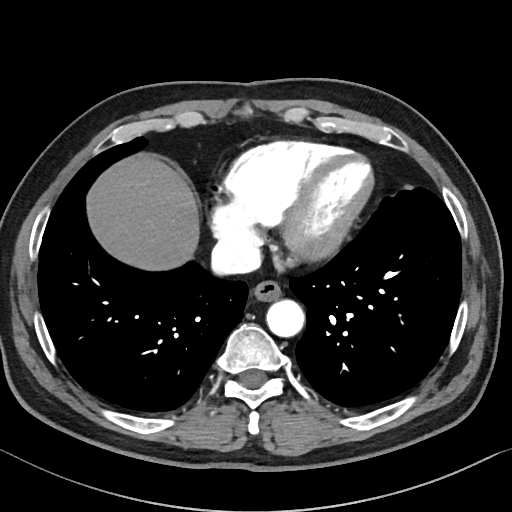 CT abdomen — axial view — SOMATOM Force scanner
Bounding boxes as [x1, y1, x2, y2] in pixel coordinates.
esophagus: [252, 280, 281, 301]
liver: [87, 153, 199, 270]
aorta: [266, 300, 304, 337]
inferior vena cava: [211, 239, 261, 275]